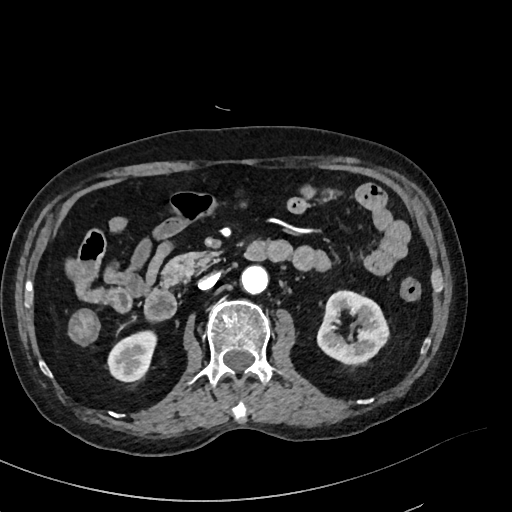
CT, abdomen/pelvis · Axial slice 143/235 · W/L 400/40 HU · 512x512 px
Boxes: x1:y1:x2:y2 in pixels.
right kidney: 107:331:155:380
left kidney: 316:291:390:365
aorta: 241:266:268:294
inferior vena cava: 198:274:218:290
pancreas: 161:251:217:287
duodenum: 144:242:267:319